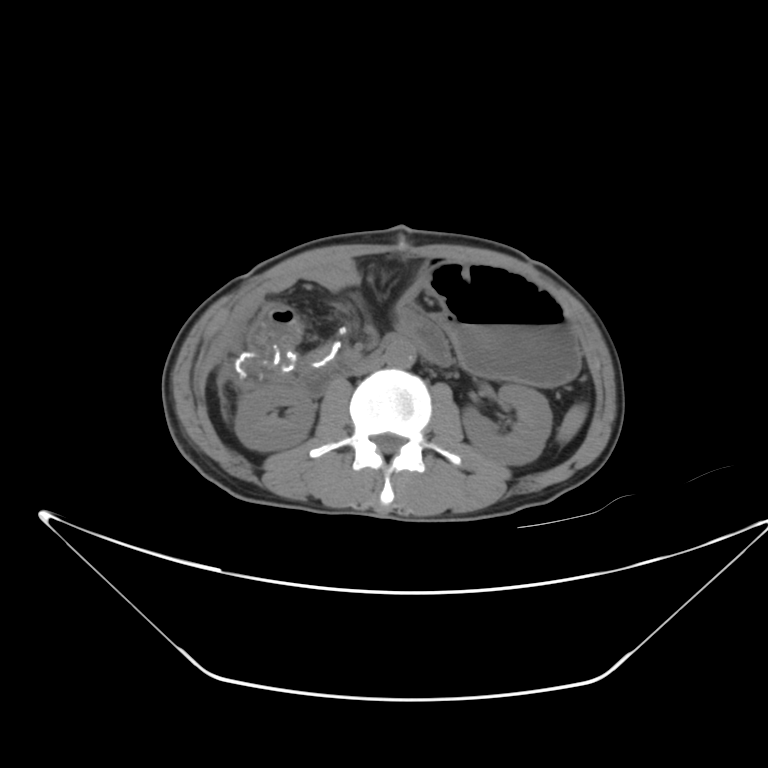
CT abdomen; axial view; soft-tissue window; 768x768 px; Brilliance16 scanner
Box edges are left/top/right/bottom in pixels. The annotated organs in this slice are: spleen at left=558, top=404, right=590, bottom=442, right kidney at left=234, top=385, right=313, bottom=449, left kidney at left=460, top=386, right=552, bottom=464, stomach at left=428, top=258, right=575, bottom=386, aorta at left=388, top=335, right=417, bottom=369, inferior vena cava at left=349, top=353, right=386, bottom=376, duodenum at left=302, top=350, right=361, bottom=394.